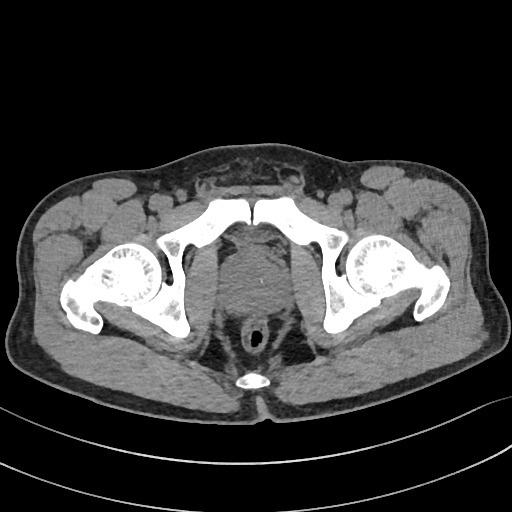
Abdominal CT; axial view; soft-tissue window (W 400 / L 40)
{"organs":{"prostate/uterus":[222,252,288,312]}}